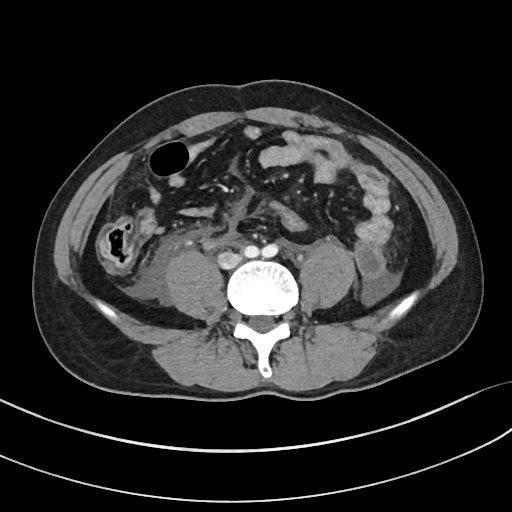
CT, abdomen/pelvis — Axial slice 94/251 — 512x512 px — scan has 15 labeled organs (counted over the whole 3D scan, not this slice; an organ is boxed only where this slice passes through it)
<organs><organ name="inferior vena cava" x1="218" y1="252" x2="241" y2="267"/></organs>